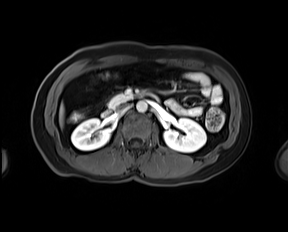
Magnetic resonance imaging, abdomen; axial view; 288x232 px; 13 organs annotated in this scan (that count is for the whole scan; organs this slice misses have no box)
Each box given as x1,y1,x2,y2.
right kidney: x1=71, y1=118, x2=110, y2=150
left kidney: x1=164, y1=118, x2=206, y2=152
liver: x1=59, y1=103, x2=64, y2=128
aorta: x1=136, y1=101, x2=147, y2=112
inferior vena cava: x1=117, y1=104, x2=128, y2=111
pancreas: x1=108, y1=93, x2=131, y2=108
duodenum: x1=101, y1=91, x2=160, y2=116